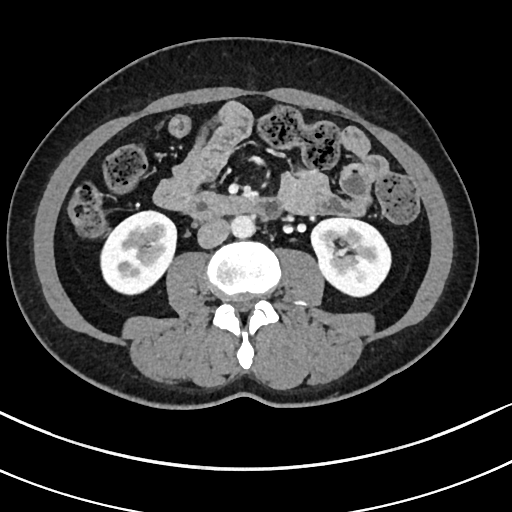 Computed tomography, abdomen. axial view. soft-tissue window (W 400 / L 40)
Boxes: x1 y1 x2 y2 (pixel coords, space-separated). Labeled organs on this slice: duodenum at 186 190 279 219, left kidney at 311 218 389 296, right kidney at 101 211 177 293, inferior vena cava at 197 218 230 248, aorta at 231 215 255 237.